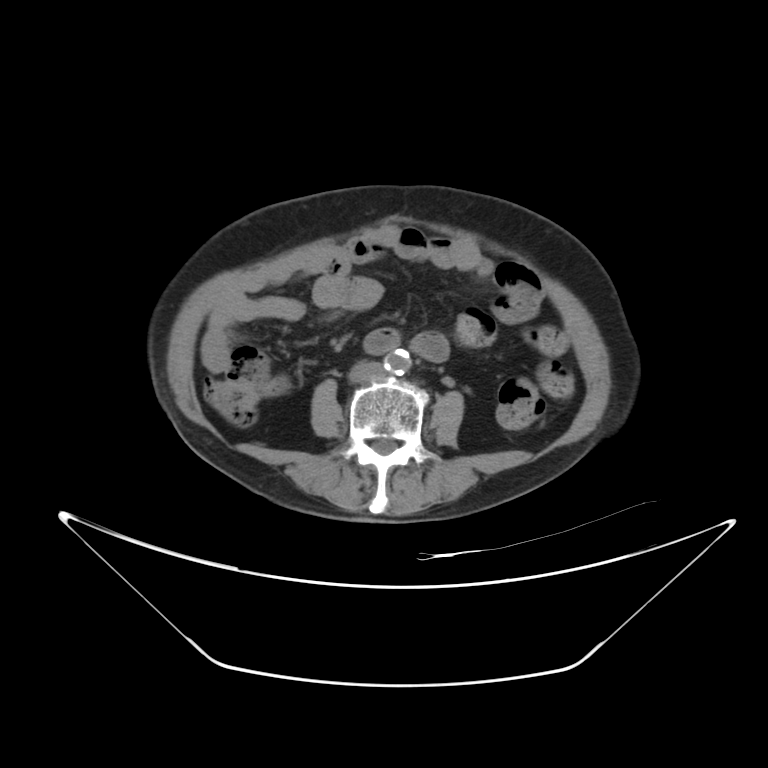

CT abdomen · axial plane, index 42 · soft-tissue window (W 400 / L 40)
Bounding boxes as [x1, y1, x2, y2] in pixel coordinates. The annotated organs in this slice are: aorta at [385, 350, 409, 373], inferior vena cava at [350, 363, 381, 381], duodenum at [367, 330, 399, 353].